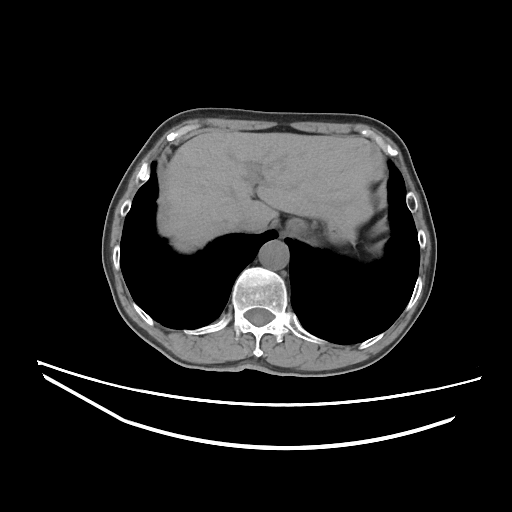
Abdominal CT · axial view
Boxes: x1 y1 x2 y2 (pixel coords, space-separated).
Organ bounding boxes:
- liver: 159 129 383 252
- stomach: 286 219 336 239
- aorta: 258 240 289 269
- inferior vena cava: 233 216 266 230